Computed tomography, abdomen. axial view. abdomen soft-tissue window. 768x768 px
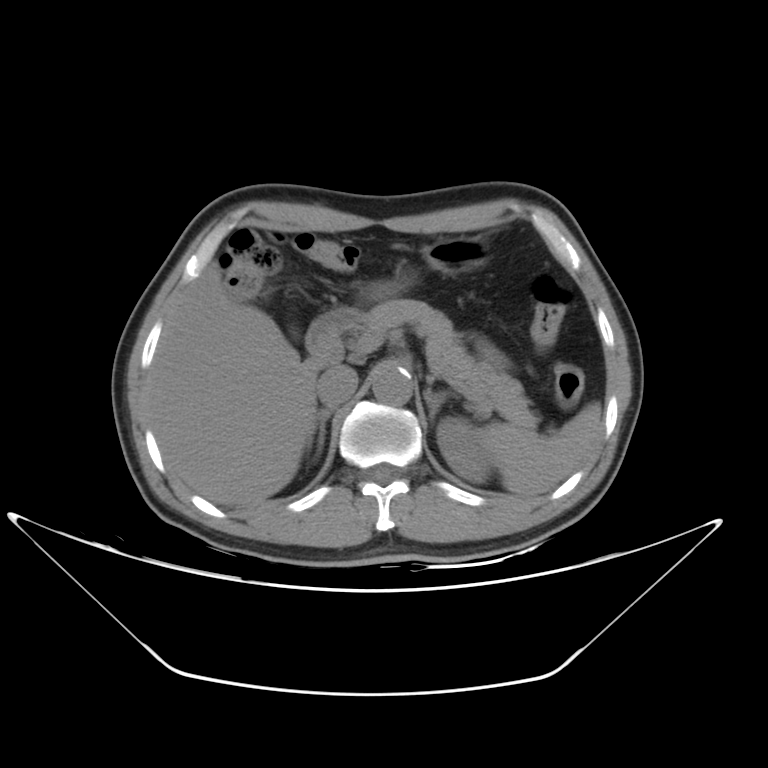
Boxes are (x1, y1, x2, y2) in pixels.
Organ bounding boxes:
- pancreas: (366, 298, 538, 430)
- left adrenal gland: (425, 388, 457, 423)
- spleen: (478, 402, 601, 495)
- left kidney: (437, 417, 492, 483)
- liver: (148, 260, 317, 508)
- duodenum: (305, 308, 364, 368)
- right adrenal gland: (307, 406, 331, 449)
- inferior vena cava: (316, 365, 356, 405)
- aorta: (372, 365, 412, 406)
- stomach: (367, 234, 495, 295)